CT of the abdomen reaching into the lower chest, slice just above the liver and spleen. axial plane, index 96. soft-tissue window (W 400 / L 40). 512x512 px. SOMATOM Force scanner
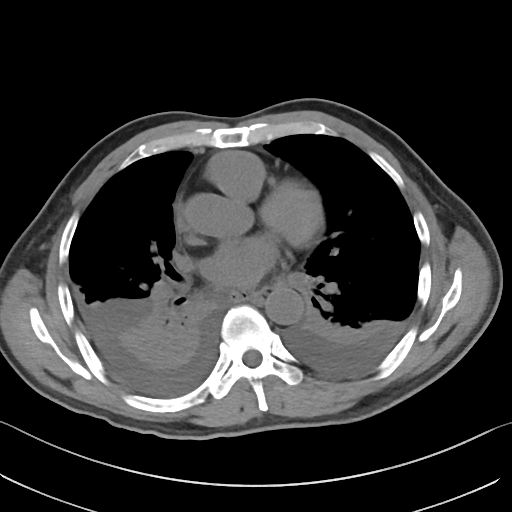
No part of the heart or lungs is labeled in this dataset, so neither has a box here.
{"organs":{"esophagus":[231,291,254,299],"aorta":[265,287,303,324]}}